CT abdomen · axial view · 768x768 px
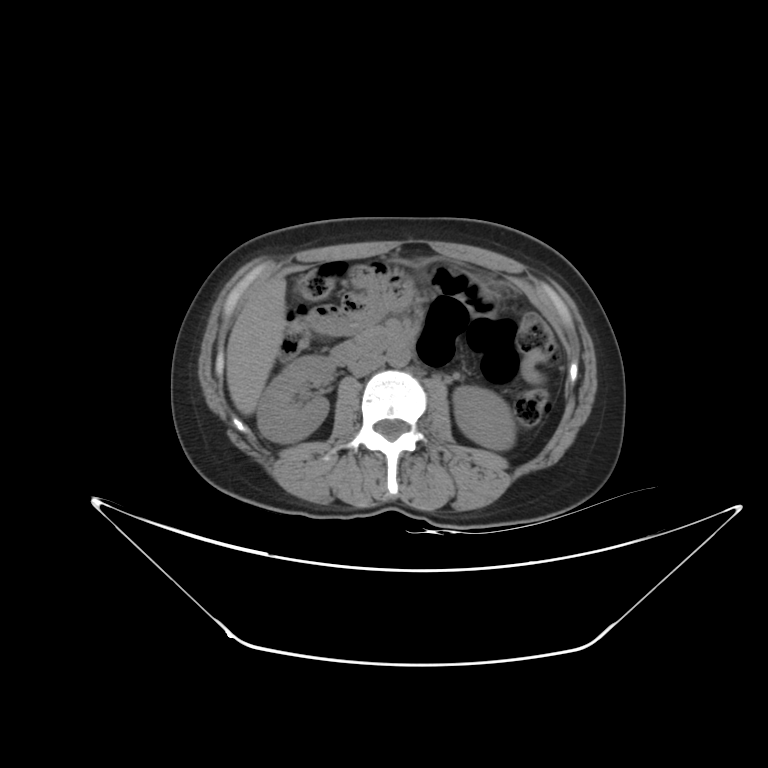 Boxes are (x1, y1, x2, y2) in pixels.
Organ bounding boxes:
- aorta: (387, 346, 410, 367)
- duodenum: (330, 331, 413, 365)
- liver: (226, 277, 286, 414)
- pancreas: (355, 328, 385, 343)
- left kidney: (453, 386, 514, 450)
- right kidney: (256, 355, 335, 442)
- inferior vena cava: (349, 354, 384, 375)